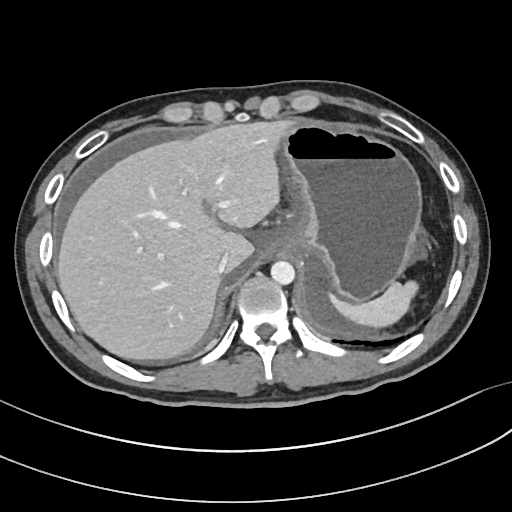 Abdominal CT — Axial slice 205/251 — W/L 400/40 HU — SOMATOM Force scanner — 15 organs annotated in this scan (a whole-scan count: organs this slice does not pass through have no box)
<organs><organ name="liver" x1="57" y1="121" x2="289" y2="360"/><organ name="spleen" x1="328" y1="280" x2="418" y2="327"/><organ name="aorta" x1="270" y1="261" x2="295" y2="284"/><organ name="inferior vena cava" x1="218" y1="253" x2="229" y2="274"/><organ name="stomach" x1="272" y1="121" x2="422" y2="302"/></organs>